CT abdomen · axial view · soft-tissue window · acquired on SOMATOM Force · 15 organs annotated in this scan (counted over the whole 3D scan, not this slice; an organ is boxed only where this slice passes through it)
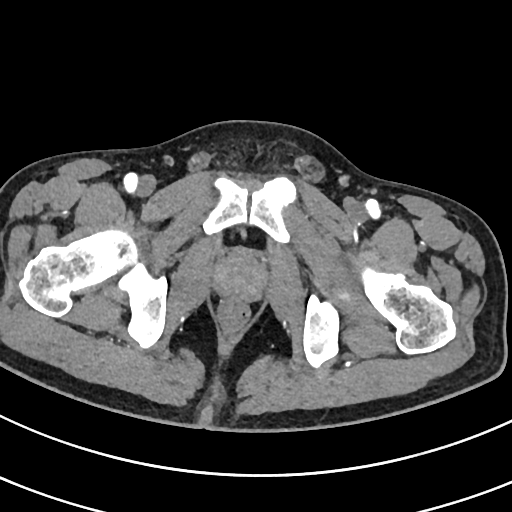 Organ boxes in pixel coordinates; each row gives the top-left (x1, y1) and bottom-right (x2, y2) corners.
| organ | x1 | y1 | x2 | y2 |
|---|---|---|---|---|
| prostate/uterus | 214 | 251 | 265 | 299 |